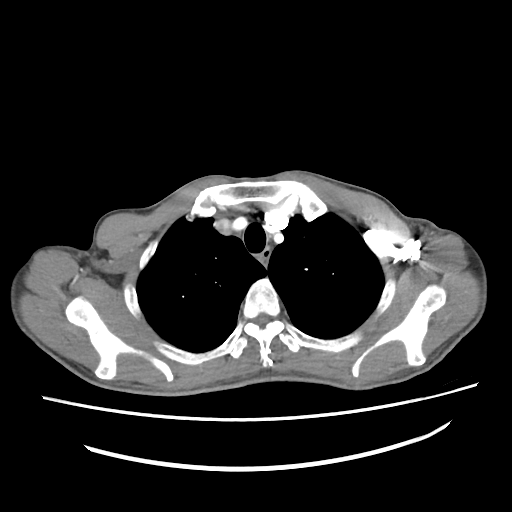

CT of the abdomen extending into the chest, slice through the chest — axial view — 50-year-old male patient
On a slice this high in the chest, this dataset labels only the esophagus and the aorta, and each is boxed only where it is labeled; the heart, lungs and other chest structures are not labeled. Each box given as x1,y1,x2,y2. 1 labeled organ on this slice — esophagus at x1=257, y1=249, x2=270, y2=266.